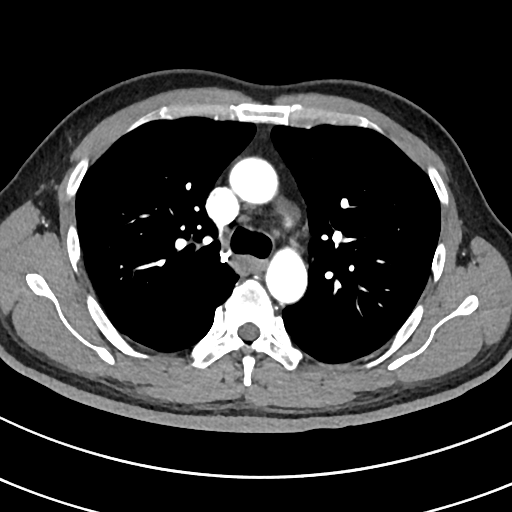 Abdominal CT reaching into the chest; this slice is in the chest — axial view — soft-tissue window, W/L 400/40 — 512x512 px — scan has 15 labeled organs (a whole-scan count: organs this slice does not pass through have no box)
On a slice this high in the chest, this dataset labels only the esophagus and the aorta, and each is boxed only where it is labeled; the heart, lungs and other chest structures are not labeled. Boxes: x1 y1 x2 y2 (pixel coords, space-separated). The annotated organs in this slice are: aorta at 229 157 278 204, aorta at 265 247 307 302, esophagus at 241 258 263 271.